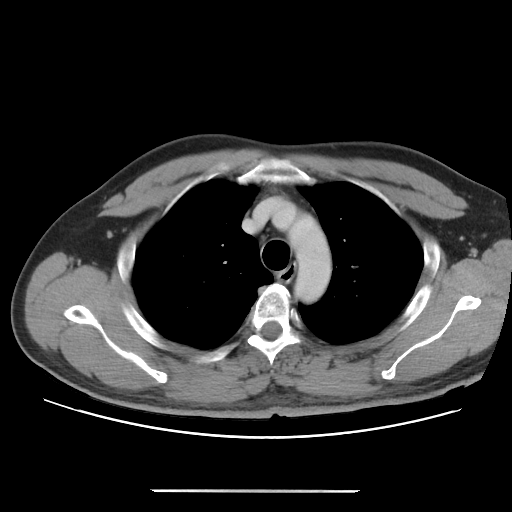
Chest-level slice from an abdominal CT that extends up into the chest · Axial slice 119/131 · 512x512 px
At this level of the chest no structure but the esophagus and the aorta has a label in this dataset, and those two are boxed only where they are labeled.
{"organs":{"esophagus":[278,268,293,281],"aorta":[288,211,331,303]}}